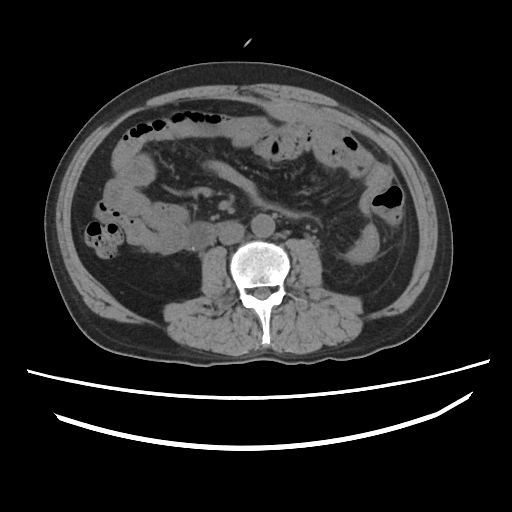 CT, abdomen/pelvis · axial view · abdomen soft-tissue window · 48-year-old male patient
Bounding boxes as [x1, y1, x2, y2] in pixel coordinates.
aorta: [251, 214, 275, 237]
inferior vena cava: [218, 221, 244, 244]
duodenum: [185, 222, 223, 249]